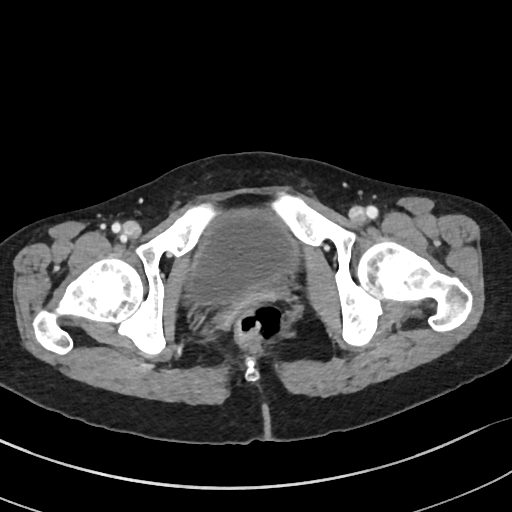 Abdominal CT. Axial slice 18/175
Boxes are (x1, y1, x2, y2) in pixels. The annotated organs in this slice are: bladder at (186, 208, 301, 304).